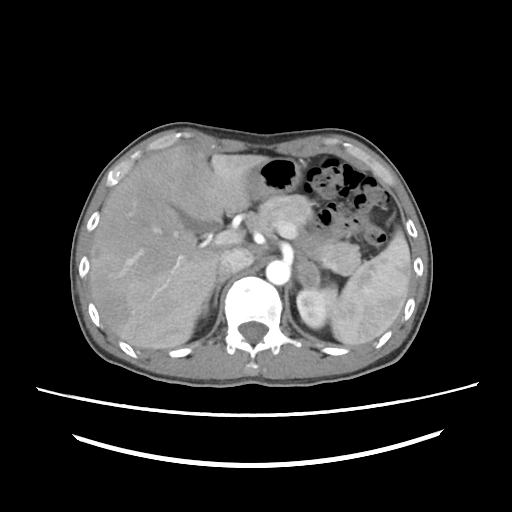

CT, abdomen/pelvis; axial view; 51-year-old male patient; acquired on Aquilion ONE
{"organs":{"spleen":[323,225,411,346],"right kidney":[203,305,208,318],"left kidney":[297,287,328,329],"gall bladder":[171,204,221,232],"liver":[88,146,267,348],"stomach":[243,156,301,206],"aorta":[266,259,290,283],"inferior vena cava":[218,248,254,276],"pancreas":[245,192,359,276],"right adrenal gland":[204,275,225,310],"left adrenal gland":[293,252,320,287]}}